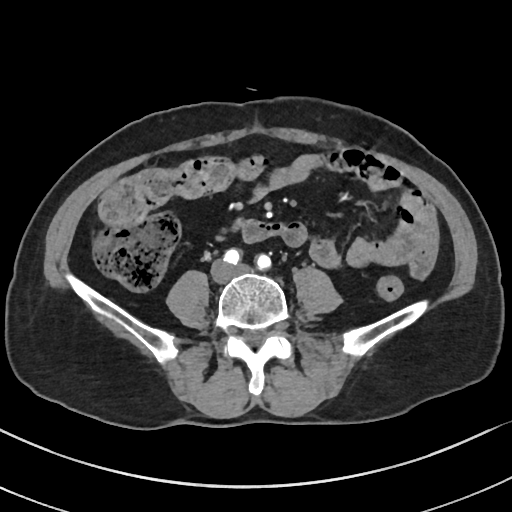 CT, abdomen/pelvis — Axial slice 98/294 — 512x512 px
{"organs":{"duodenum":[231,218,247,230]}}